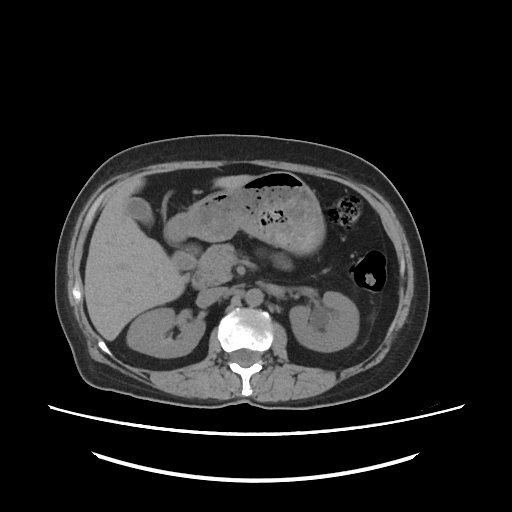

Abdominal CT; axial plane, index 63
{"organs":{"right kidney":[126,308,205,357],"left kidney":[290,292,359,351],"gall bladder":[125,198,153,225],"liver":[83,173,251,341],"stomach":[162,171,324,255],"aorta":[243,288,262,307],"inferior vena cava":[199,286,226,303],"pancreas":[191,244,236,289],"duodenum":[171,245,197,268]}}